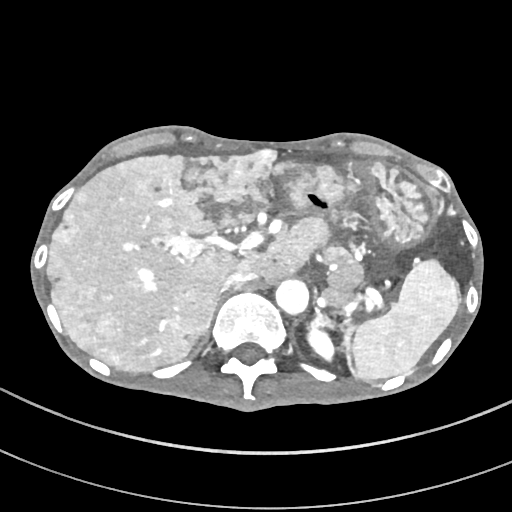

Computed tomography, abdomen · axial plane, index 165 · soft-tissue window (W 400 / L 40) · 512x512 px
Bounding boxes as [x1, y1, x2, y2] in pixel coordinates.
Organ bounding boxes:
- left kidney: [307, 331, 333, 361]
- spleen: [345, 257, 459, 380]
- inferior vena cava: [221, 272, 257, 293]
- liver: [46, 148, 365, 371]
- stomach: [308, 158, 436, 249]
- right adrenal gland: [204, 300, 219, 329]
- aorta: [276, 278, 308, 315]
- left adrenal gland: [308, 307, 336, 331]